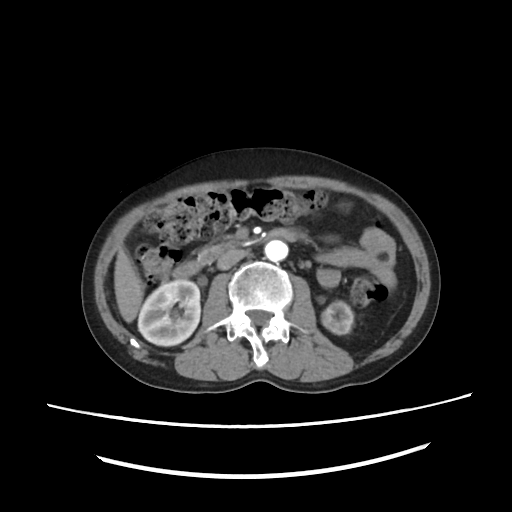
Computed tomography, abdomen — axial view — 67-year-old male patient
Each box given as x1,y1,x2,y2.
Organ bounding boxes:
- duodenum: x1=173, y1=227, x2=296, y2=278
- inferior vena cava: x1=216, y1=250, x2=250, y2=270
- left kidney: x1=322, y1=300, x2=353, y2=333
- aorta: x1=264, y1=240, x2=288, y2=260
- right kidney: x1=138, y1=280, x2=200, y2=346
- pancreas: x1=196, y1=236, x2=238, y2=264
- liver: x1=115, y1=248, x2=142, y2=322